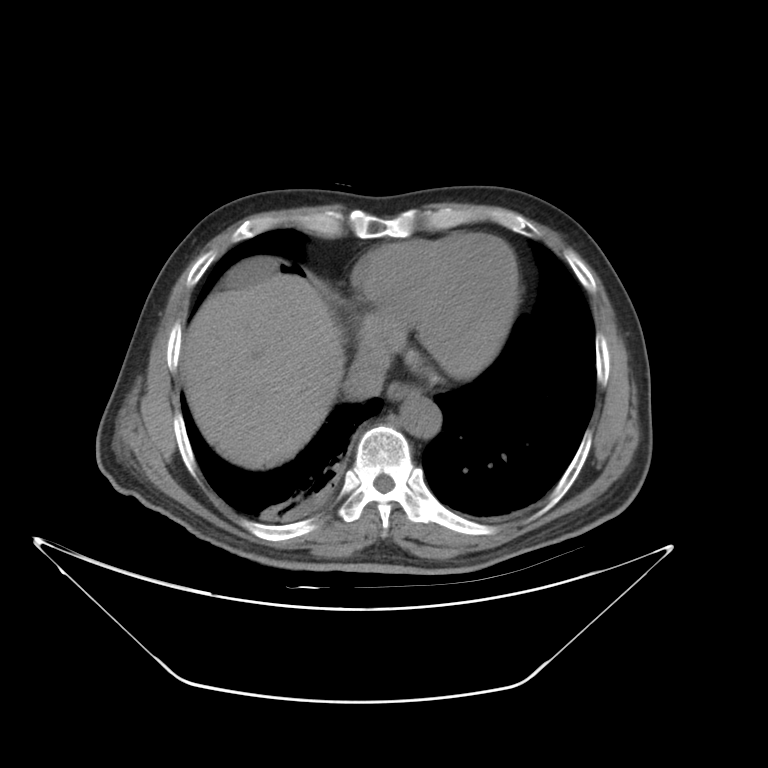
Abdominal CT. axial view. W/L 400/40 HU. 768x768 px. 15 organs annotated in this scan (a whole-scan count: organs this slice does not pass through have no box)
Bounding boxes in pixels, one row per box: x1, y1 is the top-left corner and x2, y2 the bottom-right.
| organ | x1 | y1 | x2 | y2 |
|---|---|---|---|---|
| gall bladder | 221 | 256 | 279 | 290 |
| esophagus | 384 | 382 | 420 | 400 |
| liver | 181 | 273 | 344 | 468 |
| aorta | 396 | 397 | 440 | 437 |
| inferior vena cava | 343 | 342 | 388 | 397 |